CT abdomen — axial plane, index 94
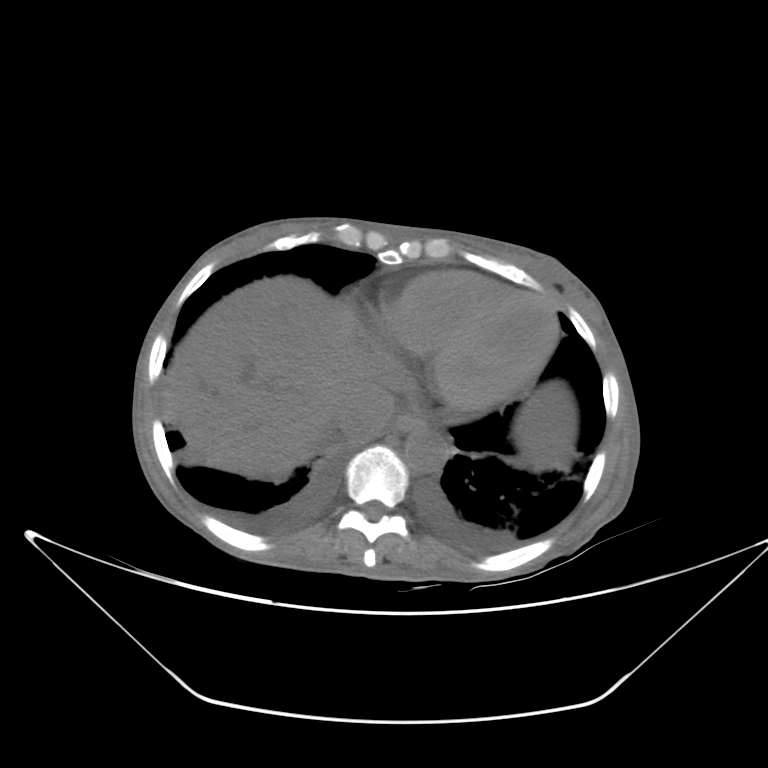
Coordinates as <box>x1,y1,x2,y2</box> in pixels.
aorta: <box>404,428,449,473</box>
inferior vena cava: <box>337,378,395,442</box>
liver: <box>164,275,370,480</box>
esophagus: <box>389,413,429,433</box>